Abdominal CT; axial view
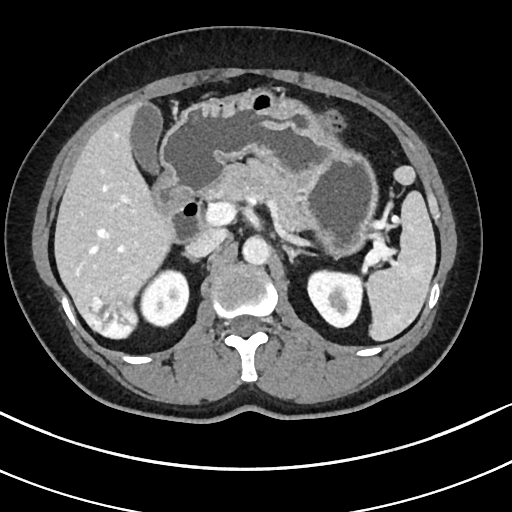
Boxes: x1:y1:x2:y2 in pixels. 12 labeled organs on this slice — spleen at 366:191:435:340; right kidney at 141:269:188:326; left kidney at 308:270:362:327; gall bladder at 131:103:162:173; liver at 54:101:175:338; stomach at 161:88:377:255; aorta at 242:236:270:265; inferior vena cava at 186:227:227:257; pancreas at 205:161:303:229; right adrenal gland at 185:253:197:261; left adrenal gland at 283:244:315:262; duodenum at 152:171:203:242.